Abdominal MR. axial plane, index 56. 1st–99th percentile window
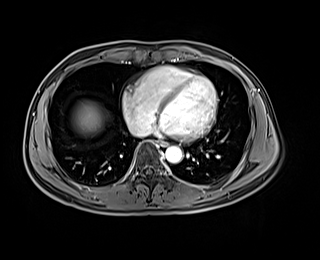

Each box given as x1,y1,x2,y2.
Organ bounding boxes:
- esophagus: x1=159, y1=141, x2=167, y2=146
- liver: x1=73, y1=102, x2=105, y2=134
- aorta: x1=165, y1=146, x2=182, y2=163
- inferior vena cava: x1=132, y1=127, x2=149, y2=136